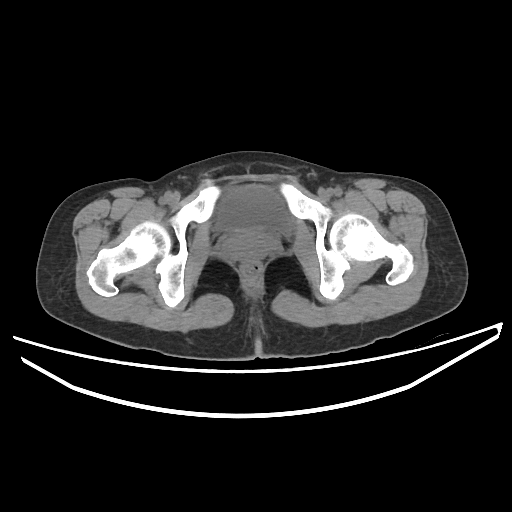
Computed tomography, abdomen; axial plane, index 6
<organs><organ name="bladder" x1="215" y1="185" x2="292" y2="233"/></organs>